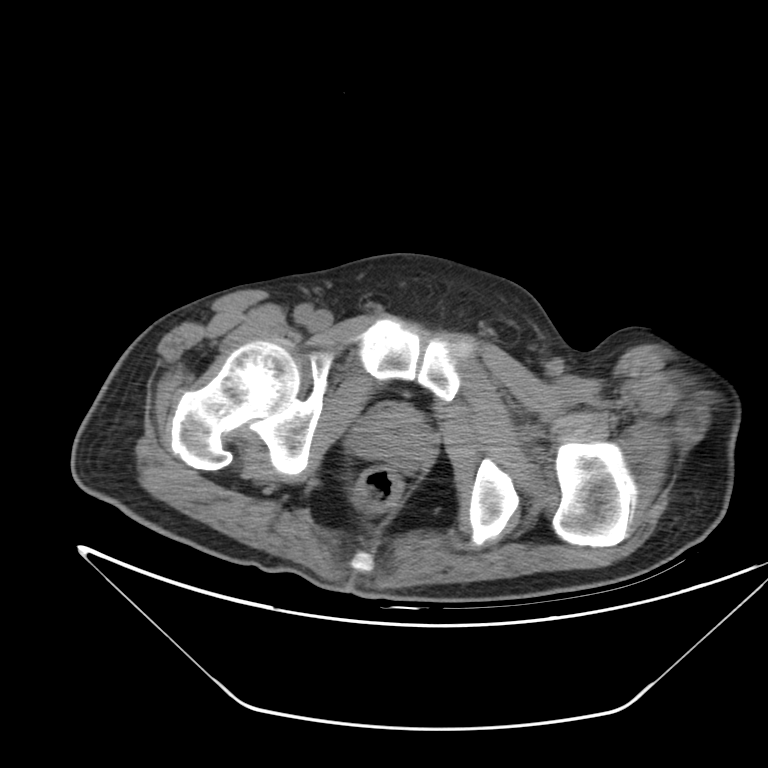

Abdominal CT. axial view. W/L 400/40 HU. 768x768 px. Brilliance16 scanner
{"organs":{"prostate/uterus":[354,406,431,467]}}